CT, abdomen/pelvis. Axial slice 70/81
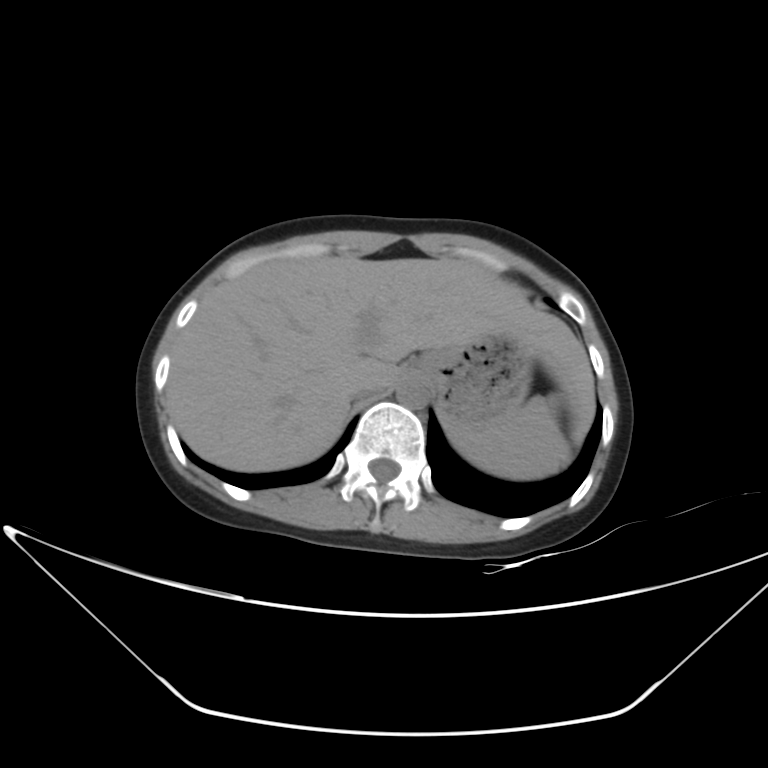
Boxes: x1:y1:x2:y2 in pixels.
Organ bounding boxes:
- spleen: 449:395:572:480
- liver: 166:257:594:471
- stomach: 414:334:533:427
- aorta: 395:376:428:408
- inferior vena cava: 350:385:378:399